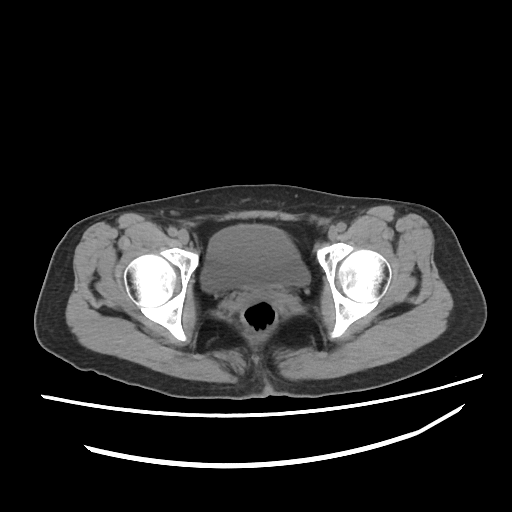 CT abdomen. axial view
Boxes: x1 y1 x2 y2 (pixel coords, space-separated).
bladder: 200 225 309 291